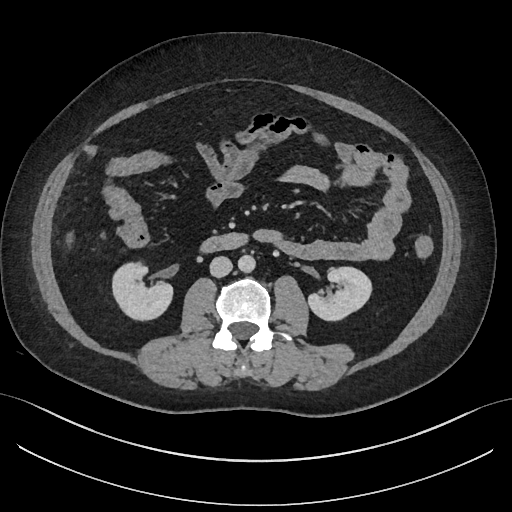 Abdominal CT; axial plane, index 126; soft-tissue window (W 400 / L 40); 512x512 px; SOMATOM Force scanner; 15 organs annotated in this scan (counted over the whole 3D scan, not this slice; an organ is boxed only where this slice passes through it)
Boxes: x1:y1:x2:y2 in pixels.
right kidney: 112:262:172:320
left kidney: 308:267:371:320
aorta: 237:254:255:272
inferior vena cava: 210:256:232:277
duodenum: 200:233:247:252